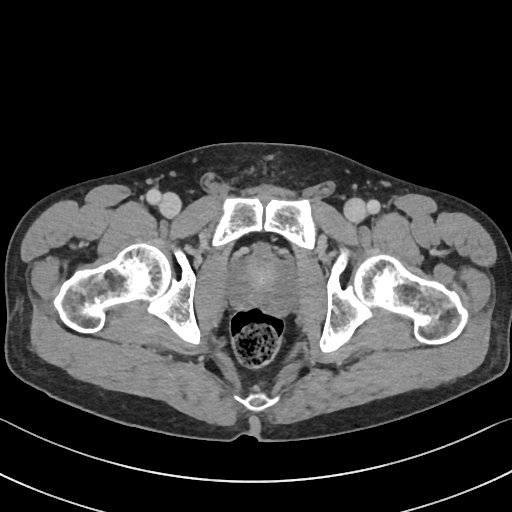
CT, abdomen/pelvis; axial view; 512x512 px; scan has 15 labeled organs (a whole-scan count: organs this slice does not pass through have no box)
Boxes are (x1, y1, x2, y2) in pixels.
prostate/uterus: (230, 250, 294, 313)